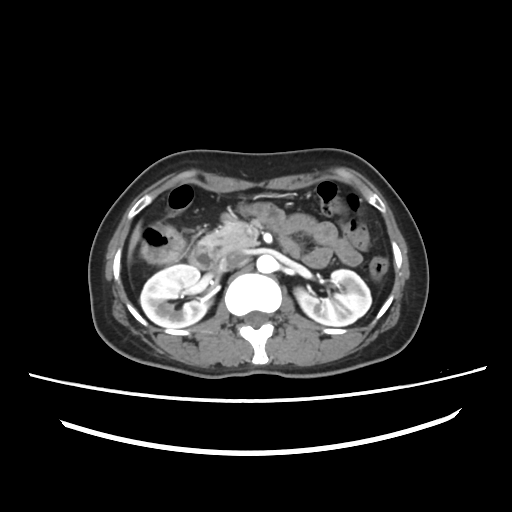 CT, abdomen/pelvis — axial view — abdomen soft-tissue window — Aquilion ONE scanner — scan has 15 labeled organs (a whole-scan count: organs this slice does not pass through have no box)
Bounding boxes as [x1, y1, x2, y2] in pixel coordinates. 7 labeled organs on this slice — inferior vena cava at [220, 251, 246, 270]; right kidney at [140, 264, 210, 328]; liver at [128, 222, 141, 260]; duodenum at [188, 244, 220, 269]; aorta at [256, 254, 276, 273]; left kidney at [294, 269, 371, 326]; pancreas at [199, 214, 257, 255].